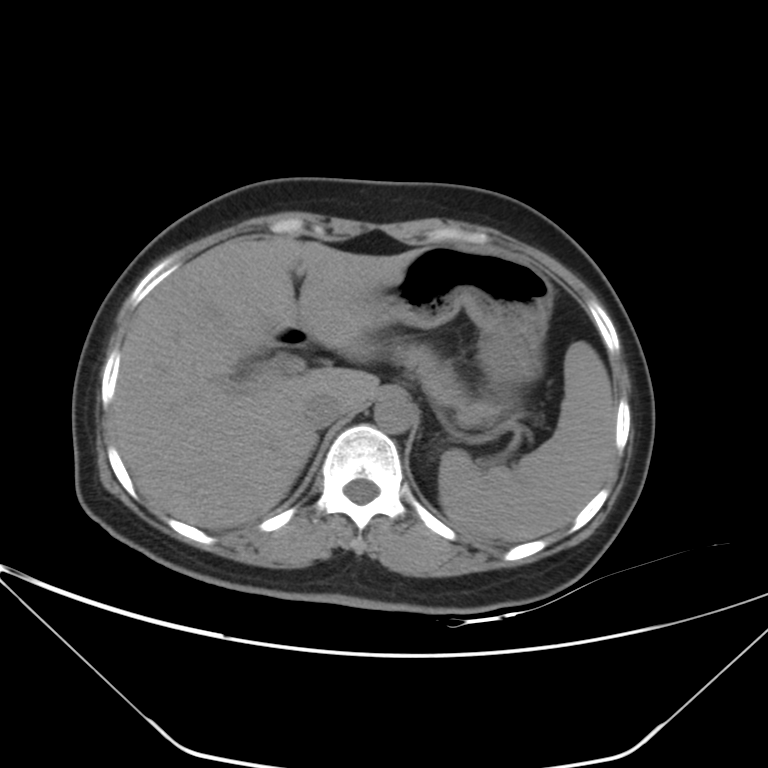

CT abdomen · axial plane, index 69 · 768x768 px
Boxes: x1 y1 x2 y2 (pixel coords, space-separated). 7 labeled organs on this slice — aorta at 375 397 414 433; stomach at 297 246 553 387; pancreas at 398 345 500 422; inferior vena cava at 304 393 344 429; liver at 112 236 416 529; spleen at 439 342 614 542; duodenum at 274 326 307 347.